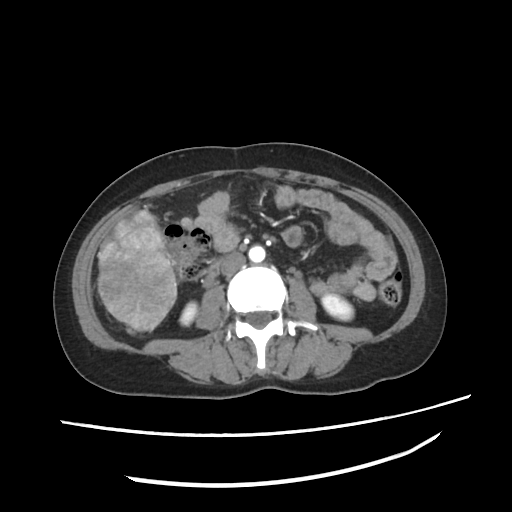
CT abdomen. axial view. 512x512 px
Coordinates as <box>x1,y1,x2,y2</box> in pixels. Labeled organs on this slice: right kidney at <box>178,301,196,325</box>, left kidney at <box>322,293,353,320</box>, aorta at <box>249,246,265,262</box>, inferior vena cava at <box>222,252,244,274</box>, duodenum at <box>209,266,218,275</box>.